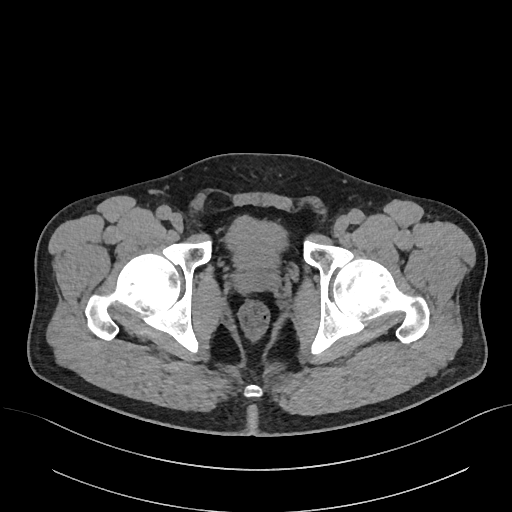

Abdominal CT. axial plane, index 33. soft-tissue window (W 400 / L 40). acquired on SOMATOM Force
Bounding boxes as [x1, y1, x2, y2] in pixel coordinates.
bladder: [226, 216, 286, 269]
prostate/uterus: [235, 267, 278, 292]